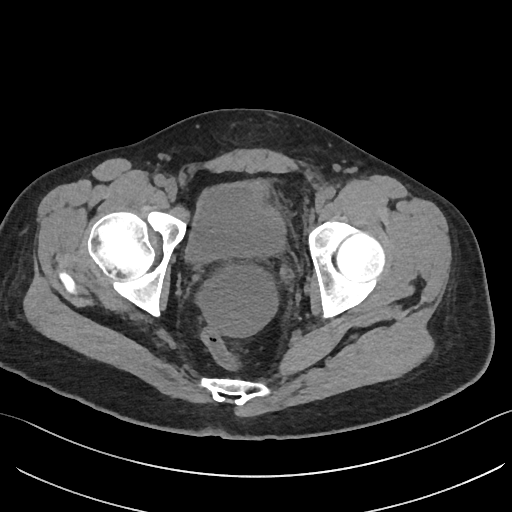 CT, abdomen/pelvis. Axial slice 29/234. abdomen soft-tissue window
<organs><organ name="bladder" x1="186" y1="180" x2="284" y2="261"/></organs>